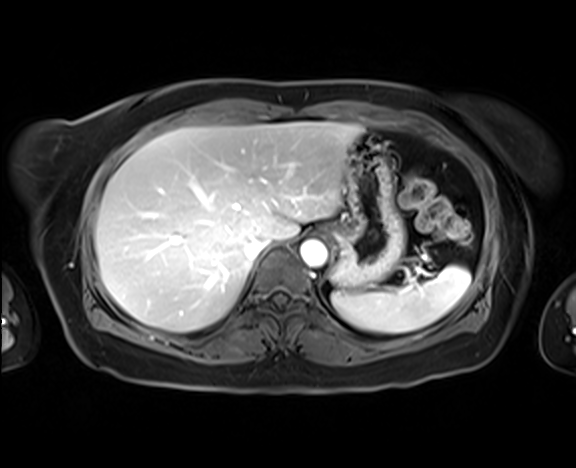

Abdominal MRI. axial view. 576x468 px
One row per box, in pixels: columns x1 and y1 give the top-left corner, x2 and y2 the bottom-right.
| organ | x1 | y1 | x2 | y2 |
|---|---|---|---|---|
| inferior vena cava | 244 | 237 | 270 | 260 |
| liver | 95 | 122 | 362 | 331 |
| aorta | 299 | 239 | 327 | 266 |
| spleen | 331 | 265 | 470 | 333 |
| stomach | 329 | 133 | 405 | 287 |